CT, abdomen/pelvis. axial plane, index 53. soft-tissue window. 512x512 px. acquired on SOMATOM Force
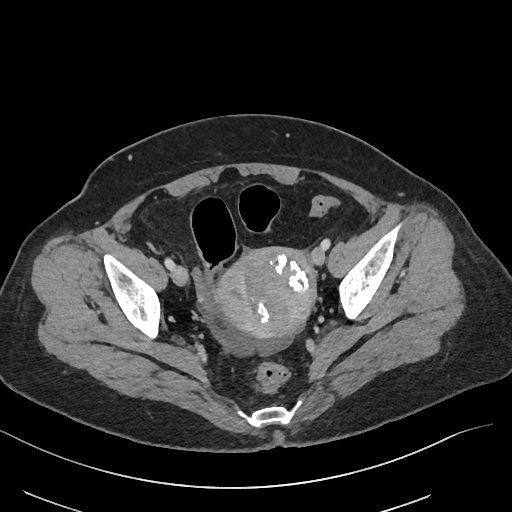

Boxes are (x1, y1, x2, y2) in pixels.
prostate/uterus: (216, 247, 315, 337)